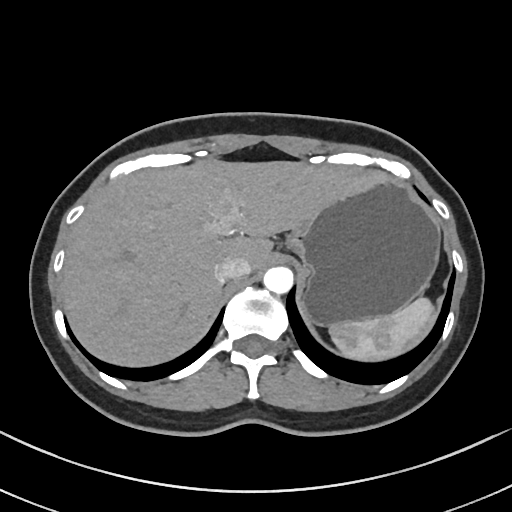 Computed tomography, abdomen. axial view. soft-tissue window (W 400 / L 40). 15 organs annotated in this scan (a whole-scan count: organs this slice does not pass through have no box)
Bounding boxes in pixels, one row per box: x1, y1 is the top-left corner and x2, y2 the bottom-right.
| organ | x1 | y1 | x2 | y2 |
|---|---|---|---|---|
| spleen | 329 | 297 | 435 | 360 |
| liver | 61 | 158 | 386 | 366 |
| stomach | 286 | 178 | 440 | 326 |
| aorta | 263 | 266 | 293 | 294 |
| inferior vena cava | 215 | 257 | 250 | 282 |